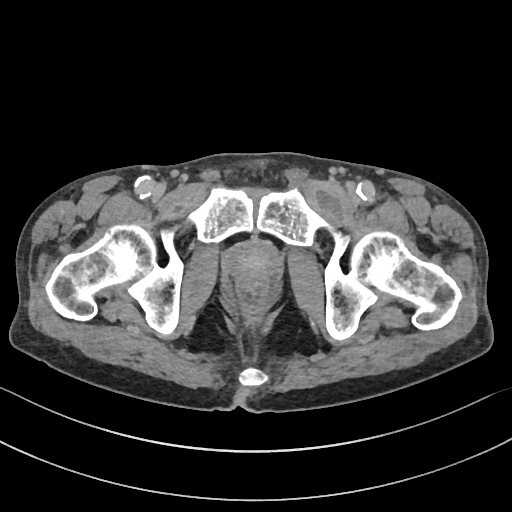
Abdominal CT. axial view. 512x512 px. SOMATOM Force scanner. scan has 15 labeled organs (that count is for the whole scan; organs this slice misses have no box)
Boxes are (x1, y1, x2, y2) in pixels.
prostate/uterus: (223, 241, 280, 281)